Abdominal CT; axial plane, index 37; soft-tissue window (W 400 / L 40); 81-year-old male patient; scan has 15 labeled organs (that count is for the whole scan; organs this slice misses have no box)
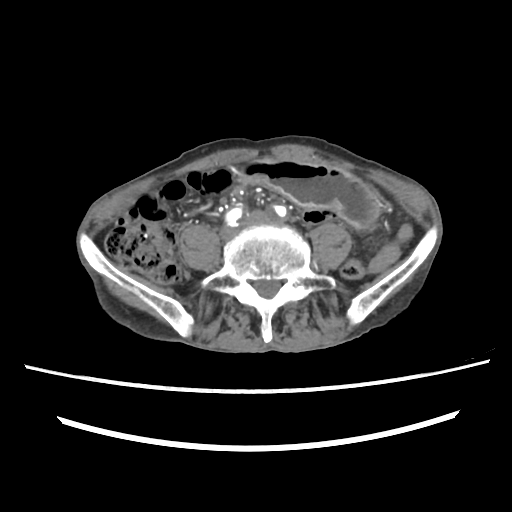

Bounding boxes as [x1, y1, x2, y2] in pixel coordinates. 1 labeled organ on this slice — stomach at [233, 160, 379, 226].